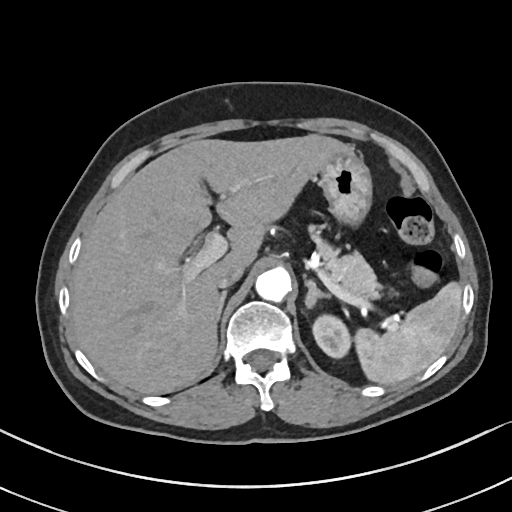

Computed tomography, abdomen · axial view · abdomen soft-tissue window
{"organs":{"spleen":[352,282,461,385],"left kidney":[312,316,349,356],"liver":[71,134,351,394],"stomach":[321,151,372,224],"aorta":[255,268,291,301],"inferior vena cava":[217,264,245,287],"pancreas":[313,237,382,300],"right adrenal gland":[215,294,226,321],"left adrenal gland":[306,279,331,308]}}